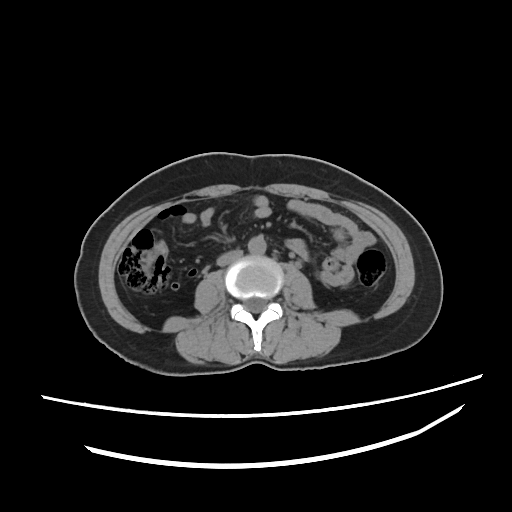
CT abdomen · axial plane, index 51 · 43-year-old female patient · scan has 15 labeled organs (counted over the whole 3D scan, not this slice; an organ is boxed only where this slice passes through it)
Organ boxes in pixel coordinates; each row gives the top-left (x1, y1) and bottom-right (x2, y2) corners.
| organ | x1 | y1 | x2 | y2 |
|---|---|---|---|---|
| aorta | 249 | 234 | 265 | 253 |
| inferior vena cava | 217 | 249 | 243 | 268 |